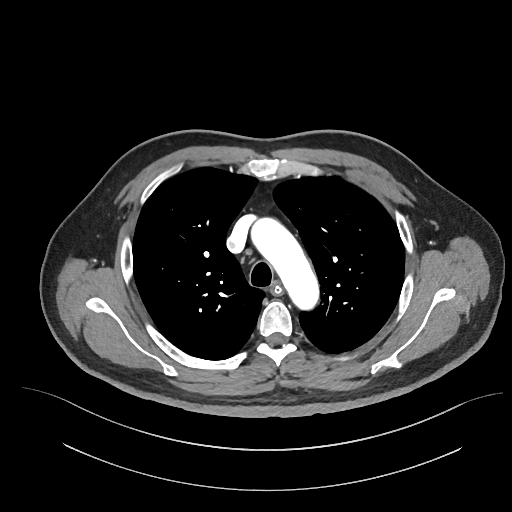

Chest-level CT slice, above the liver and spleen; axial view; 512x512 px; scan has 15 labeled organs (a whole-scan count: organs this slice does not pass through have no box)
On a slice this high in the chest, this dataset labels only the esophagus and the aorta, and each is boxed only where it is labeled; the heart, lungs and other chest structures are not labeled.
<organs><organ name="aorta" x1="250" y1="217" x2="320" y2="312"/><organ name="esophagus" x1="271" y1="283" x2="281" y2="293"/></organs>